CT abdomen — Axial slice 157/306 — soft-tissue window (W 400 / L 40) — 15 organs annotated in this scan (that count is for the whole scan; organs this slice misses have no box)
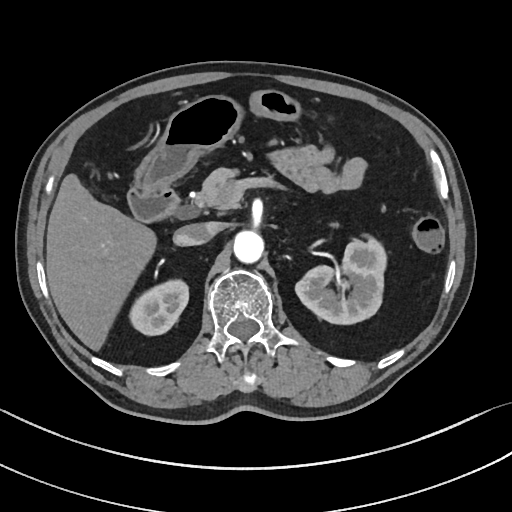

<organs><organ name="right kidney" x1="129" y1="279" x2="188" y2="335"/><organ name="left kidney" x1="295" y1="237" x2="386" y2="324"/><organ name="liver" x1="46" y1="174" x2="156" y2="350"/><organ name="stomach" x1="135" y1="95" x2="239" y2="192"/><organ name="aorta" x1="233" y1="230" x2="263" y2="263"/><organ name="inferior vena cava" x1="173" y1="223" x2="217" y2="245"/><organ name="pancreas" x1="194" y1="167" x2="238" y2="207"/><organ name="duodenum" x1="128" y1="186" x2="180" y2="222"/></organs>